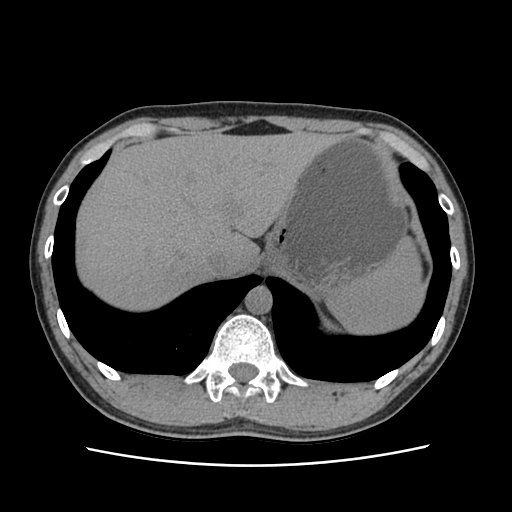 Abdominal CT — axial view — soft-tissue window — 512x512 px
Organ boxes in pixel coordinates; each row gives the top-left (x1, y1) and bottom-right (x2, y2) corners.
| organ | x1 | y1 | x2 | y2 |
|---|---|---|---|---|
| spleen | 326 | 238 | 425 | 334 |
| liver | 75 | 131 | 338 | 308 |
| stomach | 262 | 137 | 406 | 290 |
| aorta | 245 | 286 | 272 | 314 |
| inferior vena cava | 206 | 249 | 241 | 274 |